Abdominal CT reaching into the chest; this slice is in the chest. axial view. 50-year-old male patient
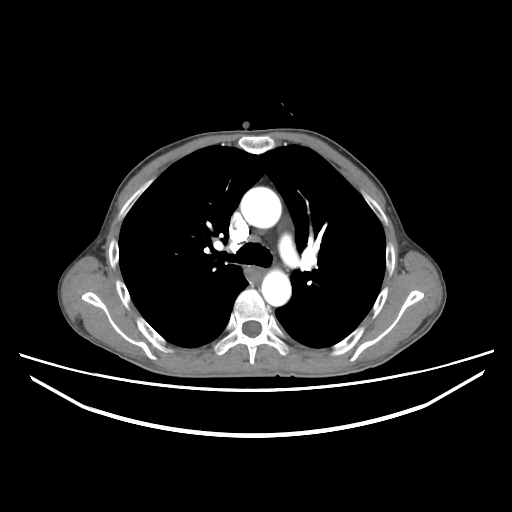 On a slice this high in the chest, this dataset labels only the esophagus and the aorta, and each is boxed only where it is labeled; the heart, lungs and other chest structures are not labeled.
<organs><organ name="esophagus" x1="245" y1="265" x2="264" y2="282"/><organ name="aorta" x1="240" y1="187" x2="281" y2="228"/><organ name="aorta" x1="261" y1="270" x2="291" y2="306"/></organs>